Abdominal CT · axial view · W/L 400/40 HU · 512x512 px
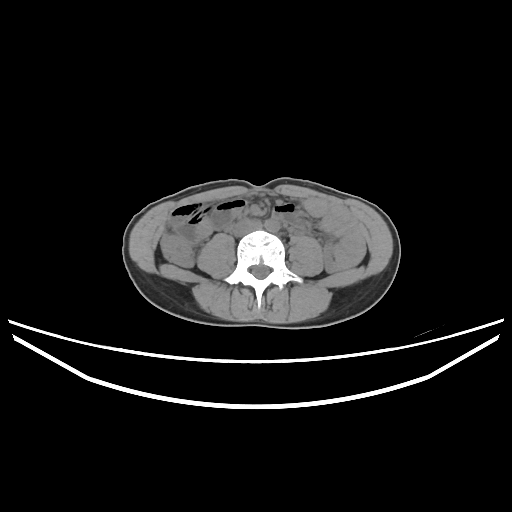
Organ boxes in pixel coordinates; each row gives the top-left (x1, y1) and bottom-right (x2, y2) corners.
| organ | x1 | y1 | x2 | y2 |
|---|---|---|---|---|
| aorta | 264 | 218 | 280 | 232 |
| inferior vena cava | 232 | 219 | 261 | 236 |